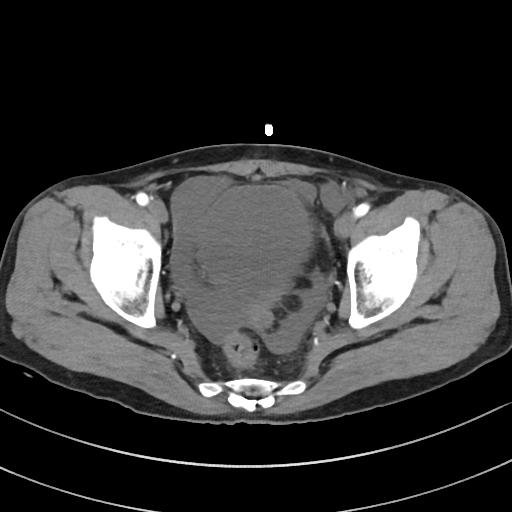

CT, abdomen/pelvis. Axial slice 19/89. soft-tissue window (W 400 / L 40)
Organ boxes in pixel coordinates; each row gives the top-left (x1, y1) and bottom-right (x2, y2) corners.
| organ | x1 | y1 | x2 | y2 |
|---|---|---|---|---|
| bladder | 199 | 185 | 311 | 297 |